Computed tomography, abdomen — axial view — W/L 400/40 HU — 512x512 px
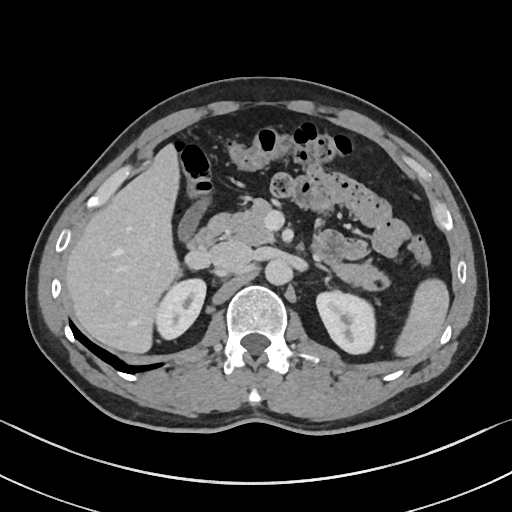
<organs><organ name="left adrenal gland" x1="316" y1="263" x2="329" y2="275"/><organ name="spleen" x1="395" y1="278" x2="450" y2="358"/><organ name="right kidney" x1="156" y1="280" x2="205" y2="339"/><organ name="aorta" x1="264" y1="259" x2="291" y2="286"/><organ name="pancreas" x1="227" y1="199" x2="391" y2="291"/><organ name="liver" x1="65" y1="143" x2="179" y2="353"/><organ name="left kidney" x1="316" y1="292" x2="373" y2="353"/><organ name="duodenum" x1="186" y1="214" x2="229" y2="252"/><organ name="gall bladder" x1="177" y1="199" x2="208" y2="242"/><organ name="inferior vena cava" x1="209" y1="241" x2="251" y2="273"/></organs>